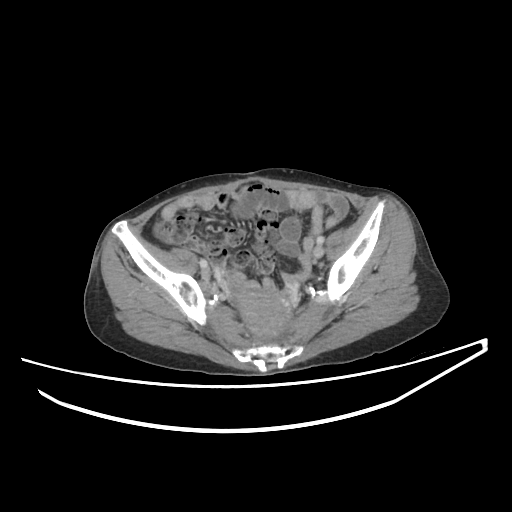 Abdominal CT. axial view. 512x512 px. 62-year-old female patient. Aquilion ONE scanner. scan has 15 labeled organs (a whole-scan count: organs this slice does not pass through have no box)
Organ boxes in pixel coordinates; each row gives the top-left (x1, y1) and bottom-right (x2, y2) corners.
| organ | x1 | y1 | x2 | y2 |
|---|---|---|---|---|
| prostate/uterus | 232 | 288 | 290 | 337 |